CT, abdomen/pelvis — axial view — scan has 15 labeled organs (counted over the whole 3D scan, not this slice; an organ is boxed only where this slice passes through it)
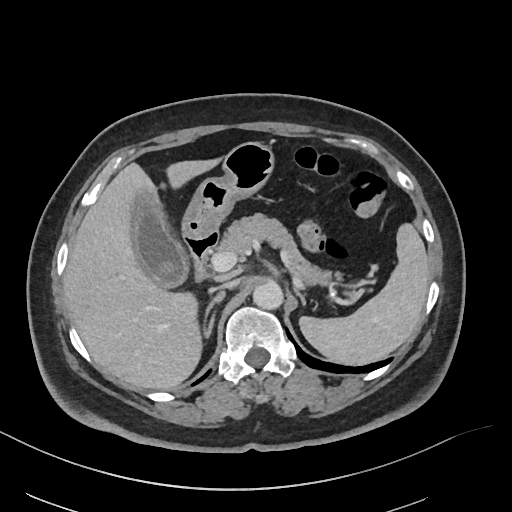
Boxes are (x1, y1, x2, y2) in pixels.
Organ bounding boxes:
- spleen: (299, 223, 428, 364)
- gall bladder: (132, 191, 187, 286)
- liver: (64, 160, 218, 389)
- stomach: (183, 141, 275, 235)
- aorta: (253, 282, 284, 310)
- inferior vena cava: (210, 281, 236, 292)
- pancreas: (220, 213, 332, 283)
- right adrenal gland: (204, 292, 226, 337)
- left adrenal gland: (294, 290, 305, 306)
- duodenum: (185, 232, 218, 271)